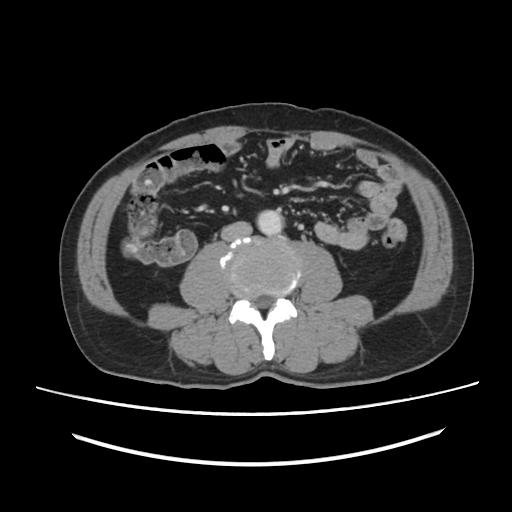 Abdominal CT. axial view. soft-tissue window
Boxes are (x1, y1, x2, y2) in pixels.
aorta: (257, 210, 283, 235)
inferior vena cava: (221, 221, 252, 241)